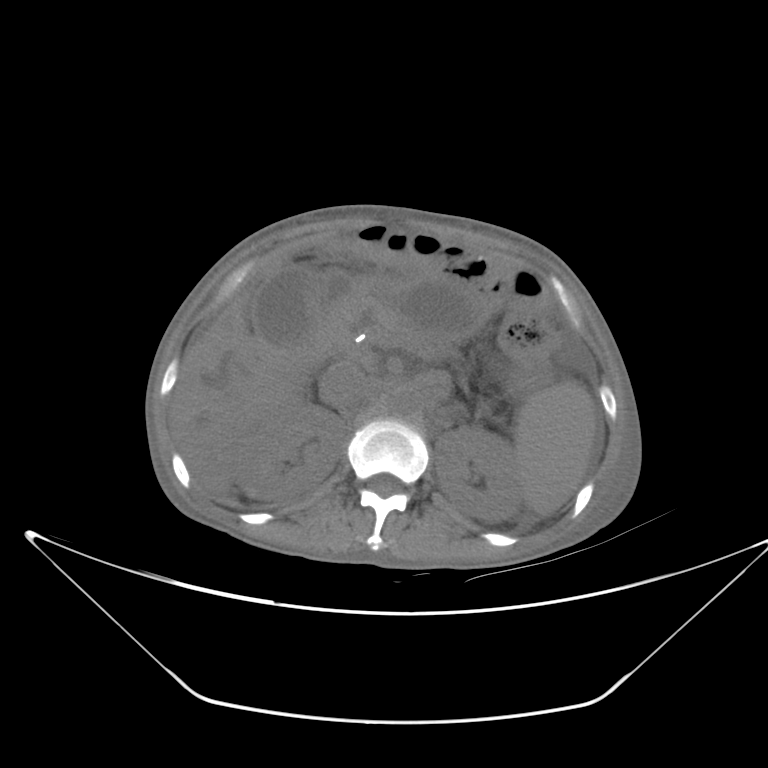
CT abdomen; axial view; 768x768 px; 56-year-old female patient; Brilliance16 scanner
Bounding boxes as [x1, y1, x2, y2] in pixel coordinates. 10 labeled organs on this slice — pancreas at [326, 298, 459, 360]; inferior vena cava at [322, 367, 375, 415]; liver at [169, 254, 319, 488]; left kidney at [435, 426, 523, 522]; right kidney at [233, 401, 345, 500]; stomach at [404, 277, 485, 338]; aorta at [389, 386, 422, 417]; gall bladder at [252, 264, 319, 346]; spleen at [514, 380, 596, 515]; duodenum at [302, 270, 355, 358].